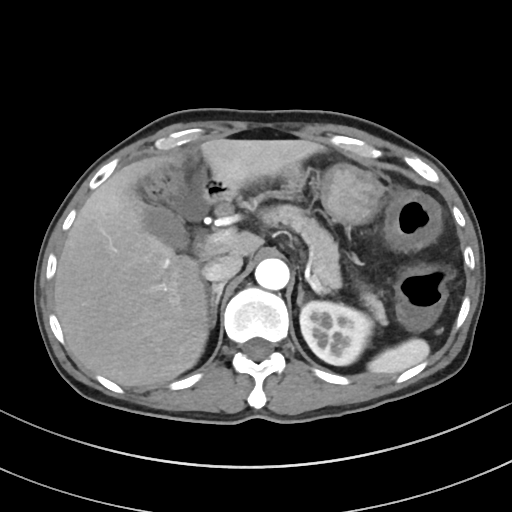 Computed tomography, abdomen — axial view — soft-tissue window (W 400 / L 40)
{"organs":{"spleen":[367,338,429,374],"left kidney":[300,301,372,365],"gall bladder":[142,205,188,249],"liver":[54,138,324,387],"stomach":[238,163,383,225],"aorta":[254,258,289,289],"inferior vena cava":[202,254,242,281],"pancreas":[261,204,387,324],"right adrenal gland":[208,282,225,327],"left adrenal gland":[296,284,304,305],"duodenum":[199,176,238,204]}}